CT, abdomen/pelvis — axial view
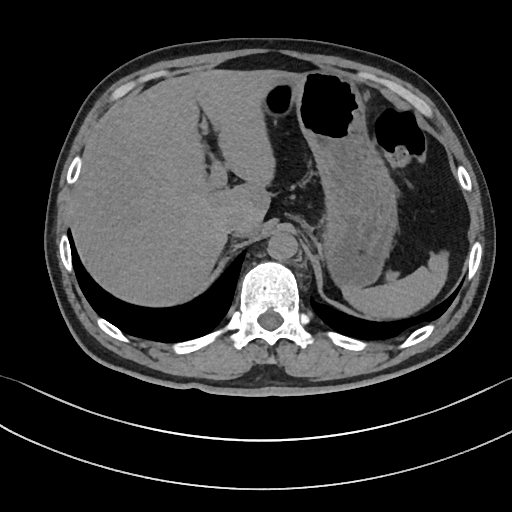
{"organs":{"liver":[69,69,290,306],"aorta":[268,231,297,260],"inferior vena cava":[223,210,247,235],"spleen":[342,251,448,318],"stomach":[260,70,396,286]}}